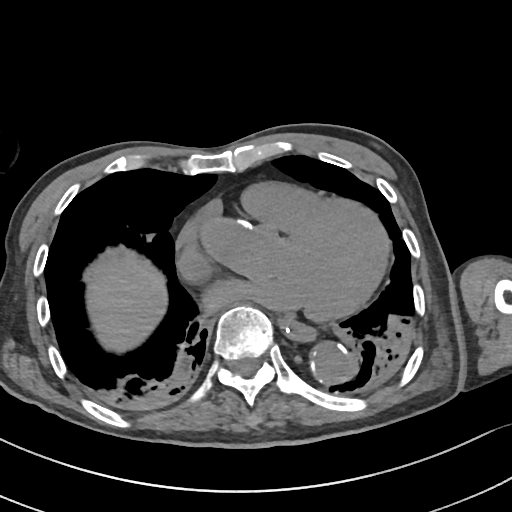 Abdominal CT · Axial slice 199/208 · soft-tissue window · 15 organs annotated in this scan (counted over the whole 3D scan, not this slice; an organ is boxed only where this slice passes through it)
One row per box, in pixels: columns x1 and y1 give the top-left corner, x2 and y2 the bottom-right.
| organ | x1 | y1 | x2 | y2 |
|---|---|---|---|---|
| esophagus | 279 | 319 | 315 | 339 |
| liver | 87 | 252 | 165 | 351 |
| aorta | 310 | 344 | 352 | 383 |